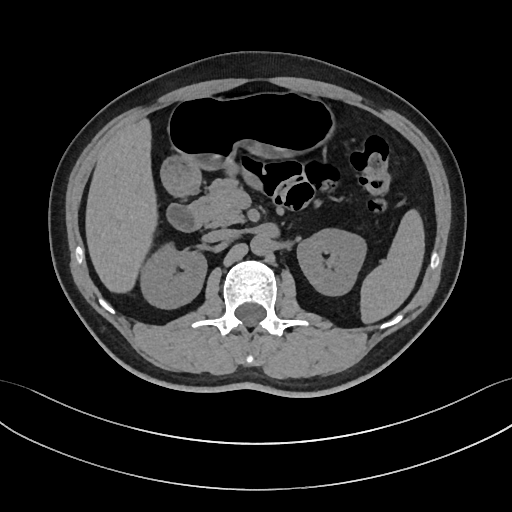 Abdominal CT. axial view. SOMATOM Force scanner
Organ boxes in pixel coordinates; each row gives the top-left (x1, y1) and bottom-right (x2, y2) corners.
| organ | x1 | y1 | x2 | y2 |
|---|---|---|---|---|
| spleen | 360 | 209 | 424 | 323 |
| right kidney | 140 | 246 | 206 | 308 |
| left kidney | 297 | 228 | 366 | 295 |
| liver | 85 | 118 | 157 | 292 |
| stomach | 162 | 92 | 334 | 194 |
| aorta | 250 | 234 | 271 | 255 |
| inferior vena cava | 206 | 229 | 237 | 241 |
| pancreas | 189 | 179 | 244 | 226 |
| duodenum | 166 | 203 | 200 | 231 |